Chest-level CT slice, above the liver and spleen; axial view; W/L 400/40 HU; acquired on SOMATOM Force
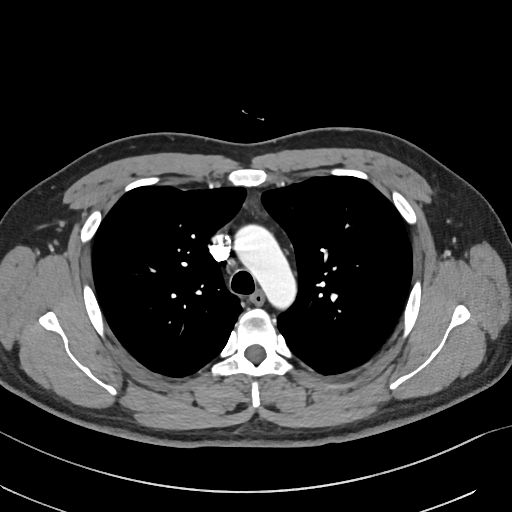

At this level of the chest no structure but the esophagus and the aorta has a label in this dataset, and those two are boxed only where they are labeled.
Coordinates as <box>x1,y1,x2,y2</box> in pixels.
Organ bounding boxes:
- esophagus: <box>250,291,263,305</box>
- aorta: <box>233,222,297,307</box>